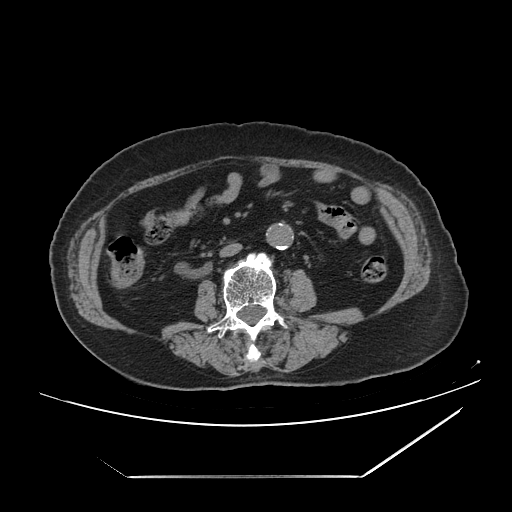

Abdominal CT. axial plane, index 91. soft-tissue window. 512x512 px
Bounding boxes as [x1, y1, x2, y2] in pixel coordinates. The annotated organs in this slice are: inferior vena cava at [219, 243, 241, 257], duodenum at [230, 239, 233, 240], aorta at [267, 223, 293, 249].